CT of the abdomen extending into the chest, slice through the chest. axial view. 54-year-old male patient. acquired on Aquilion ONE
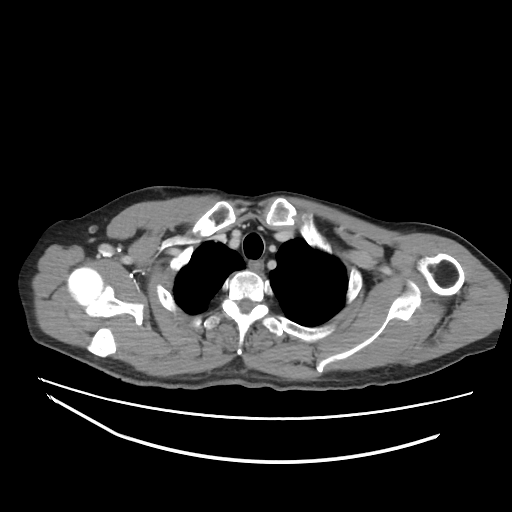 At this level of the chest this dataset labels only the esophagus and the aorta, and each is boxed only where it is labeled; the heart and lungs are never labeled.
{"organs":{"esophagus":[248,260,262,270]}}